Abdominal CT · axial view · 768x768 px
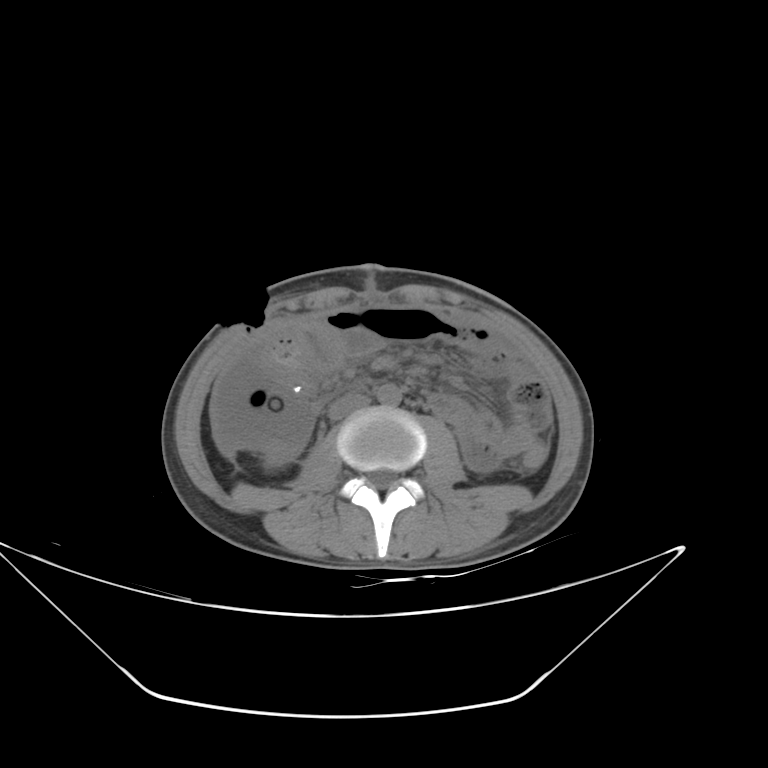

Box edges are left/top/right/bottom in pixels.
Organ bounding boxes:
- right kidney: left=263, top=453, right=290, bottom=469
- aorta: left=377, top=384, right=401, bottom=406
- inferior vena cava: left=328, top=394, right=370, bottom=420